Chest-level CT slice, above the liver and spleen · axial view · 512x512 px
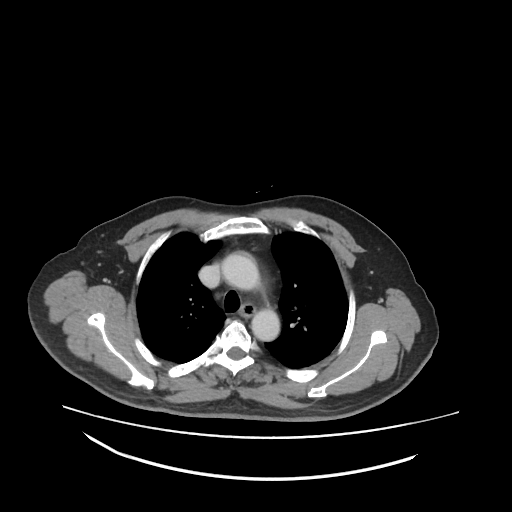 At this level of the chest this dataset labels only the esophagus and the aorta, and each is boxed only where it is labeled; the heart and lungs are never labeled.
Boxes: x1 y1 x2 y2 (pixel coords, space-separated).
aorta: 222 252 258 289
aorta: 252 306 278 340
esophagus: 241 304 254 315